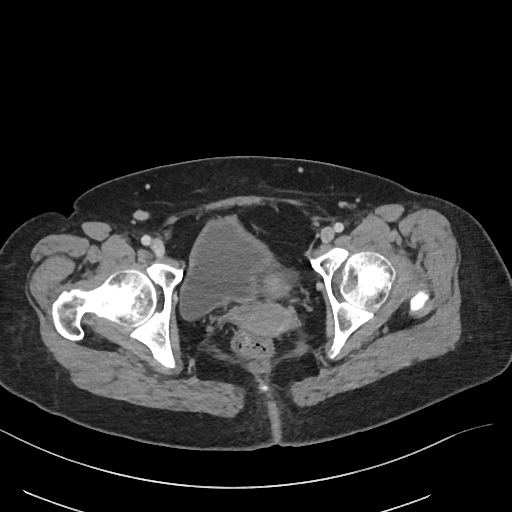

CT, abdomen/pelvis; axial view; W/L 400/40 HU
{"organs":{"bladder":[179,216,273,320],"prostate/uterus":[232,271,297,339]}}